Computed tomography, abdomen — axial view — abdomen soft-tissue window
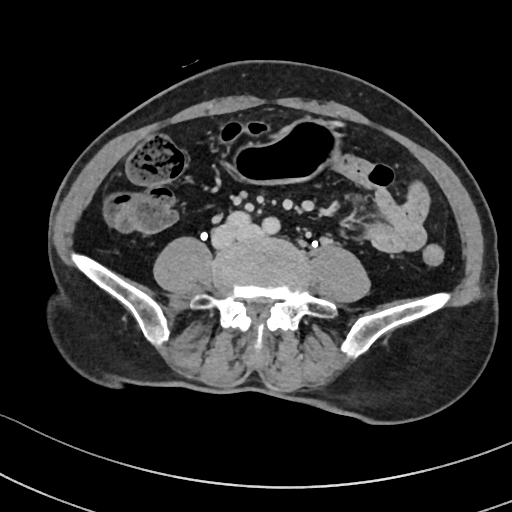

Organ boxes in pixel coordinates; each row gives the top-left (x1, y1) and bottom-right (x2, y2) corners.
| organ | x1 | y1 | x2 | y2 |
|---|---|---|---|---|
| stomach | 227 | 116 | 340 | 184 |